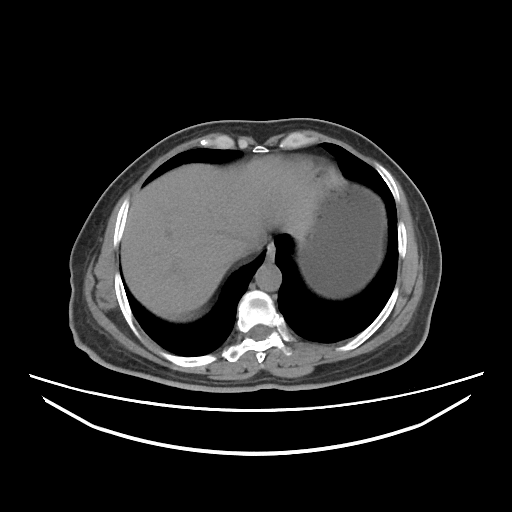 Computed tomography, abdomen — axial view — abdomen soft-tissue window — 512x512 px — scan has 15 labeled organs (a whole-scan count: organs this slice does not pass through have no box)
One row per box, in pixels: columns x1 and y1 give the top-left corner, x2 and y2 the bottom-right.
| organ | x1 | y1 | x2 | y2 |
|---|---|---|---|---|
| aorta | 255 | 263 | 281 | 291 |
| stomach | 296 | 172 | 385 | 298 |
| liver | 121 | 155 | 316 | 321 |
| esophagus | 265 | 242 | 276 | 263 |
| inferior vena cava | 242 | 233 | 264 | 256 |